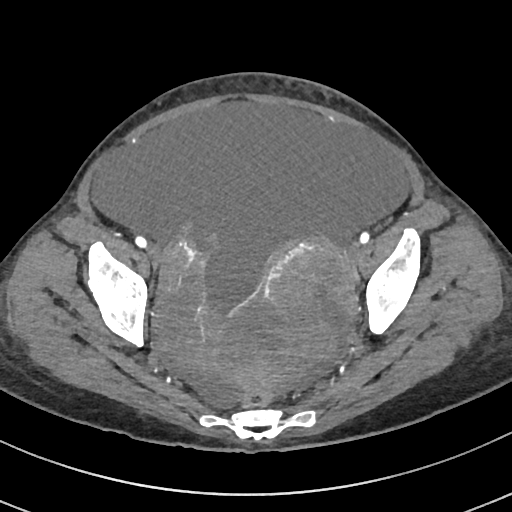
CT abdomen · Axial slice 46/237 · soft-tissue window (W 400 / L 40)
{"organs":{"prostate/uterus":[303,245,305,248]}}